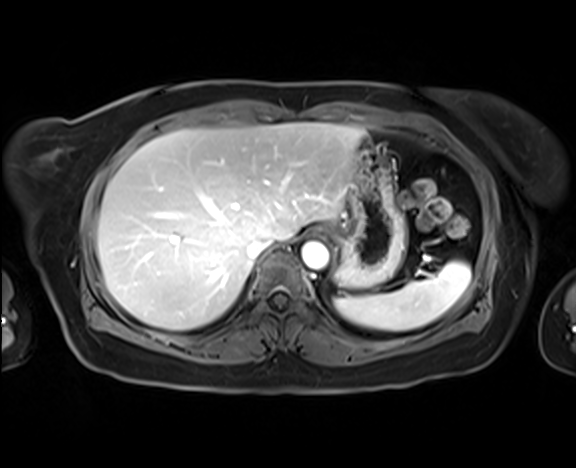
MRI, abdomen. axial view. percentile-normalized. 576x468 px
{"organs":{"spleen":[334,261,470,331],"esophagus":[315,228,326,235],"liver":[97,122,364,330],"stomach":[327,140,407,288],"aorta":[301,241,328,269],"inferior vena cava":[246,237,274,260]}}